Abdominal CT · axial view · 45-year-old female patient
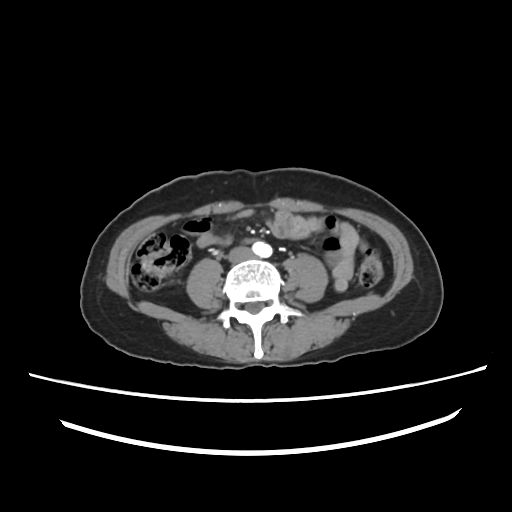
{"organs":{"aorta":[252,241,272,257],"inferior vena cava":[228,246,253,262]}}